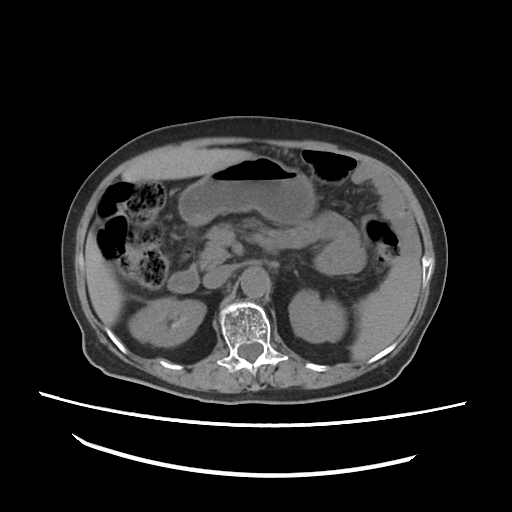

Abdominal CT; Axial slice 66/100
Coordinates as <box>x1,y1,x2,y2</box> in pixels.
spleen: <box>351,257,421,362</box>
right kidney: <box>130,298,203,346</box>
left kidney: <box>289,290,344,343</box>
liver: <box>86,147,257,327</box>
stomach: <box>178,156,314,224</box>
aorta: <box>240,267,268,297</box>
inferior vena cava: <box>203,266,230,287</box>
pancreas: <box>200,223,233,268</box>
duodenum: <box>167,264,199,293</box>